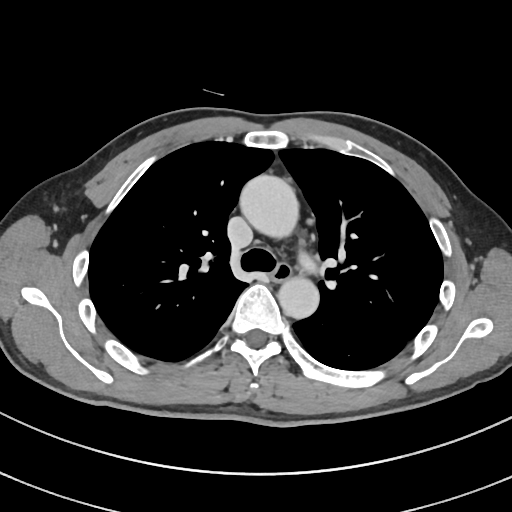 Chest-level slice from an abdominal CT that extends up into the chest — axial view — 512x512 px — scan has 15 labeled organs (that count is for the whole scan; organs this slice misses have no box)
At this level of the chest this dataset labels only the esophagus and the aorta, and each is boxed only where it is labeled; the heart and lungs are never labeled.
Coordinates as <box>x1,y1,x2,y2</box> in pixels.
Organ bounding boxes:
- esophagus: <box>270,263,292,281</box>
- aorta: <box>239,174,298,238</box>
- aorta: <box>277,276,319,318</box>